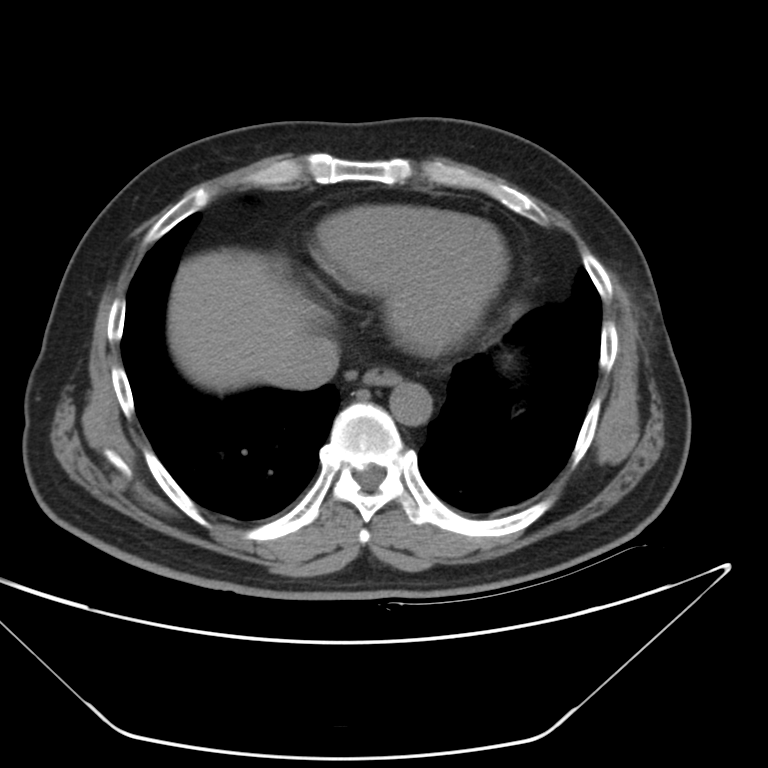 CT, abdomen/pelvis; axial plane, index 94; 14 organs annotated in this scan (counted over the whole 3D scan, not this slice; an organ is boxed only where this slice passes through it)
Boxes are (x1, y1, x2, y2) in pixels.
Organ bounding boxes:
- esophagus: (363, 365, 399, 384)
- liver: (168, 247, 316, 393)
- aorta: (389, 379, 431, 427)
- inferior vena cava: (280, 332, 339, 390)